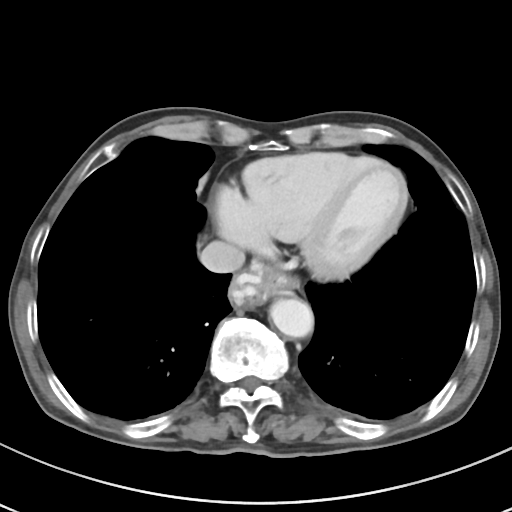

Lower-chest slice from an abdominal CT, just above the liver and spleen; axial view; soft-tissue window; 15 organs annotated in this scan (counted over the whole 3D scan, not this slice; an organ is boxed only where this slice passes through it)
No part of the heart or lungs is labeled in this dataset, so neither has a box here. Box edges are left/top/right/bottom in pixels. Labeled organs on this slice: esophagus at left=230, top=263, right=297, bottom=307, aorta at left=269, top=298, right=313, bottom=337, inferior vena cava at left=199, top=240, right=244, bottom=272.